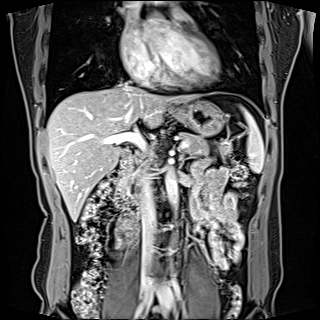 MRI, abdomen. coronal view
Bounding boxes in pixels, one row per box: x1, y1 is the top-left corner and x2, y2 the bottom-right.
| organ | x1 | y1 | x2 | y2 |
|---|---|---|---|---|
| liver | 46 | 84 | 198 | 221 |
| gall bladder | 122 | 149 | 128 | 155 |
| inferior vena cava | 136 | 162 | 157 | 271 |
| duodenum | 114 | 151 | 138 | 214 |
| stomach | 173 | 100 | 224 | 135 |
| spleen | 244 | 109 | 264 | 172 |
| pancreas | 122 | 133 | 232 | 197 |
| aorta | 165 | 166 | 178 | 209 |